CT, abdomen/pelvis; Axial slice 92/206; soft-tissue window (W 400 / L 40)
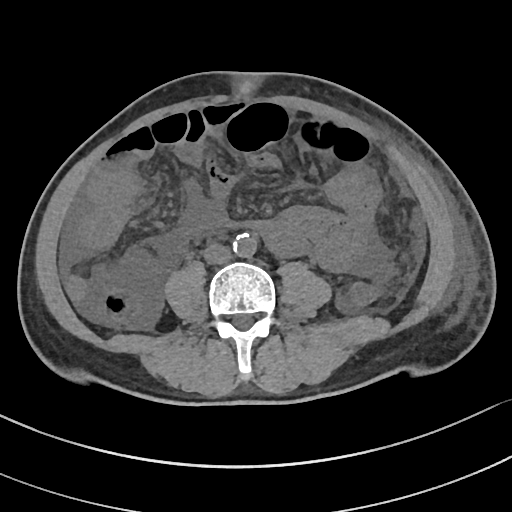

{"organs":{"aorta":[233,233,257,257],"inferior vena cava":[203,243,231,264]}}